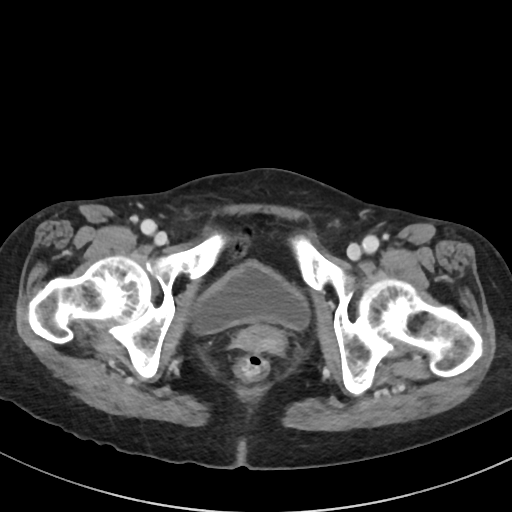 Computed tomography, abdomen — axial view — abdomen soft-tissue window — 512x512 px
<organs><organ name="bladder" x1="192" y1="262" x2="309" y2="333"/><organ name="prostate/uterus" x1="236" y1="325" x2="285" y2="353"/></organs>